CT, abdomen/pelvis; axial view; abdomen soft-tissue window; acquired on SOMATOM Force
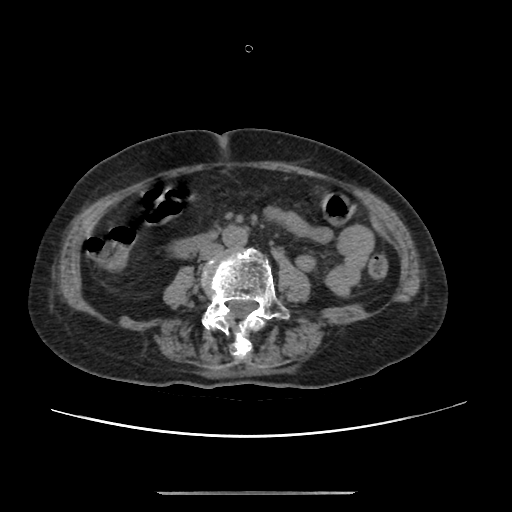
Boxes: x1 y1 x2 y2 (pixel coords, space-separated). 3 labeled organs on this slice — aorta at 222 225 247 247; inferior vena cava at 199 243 222 259; duodenum at 175 231 216 255.